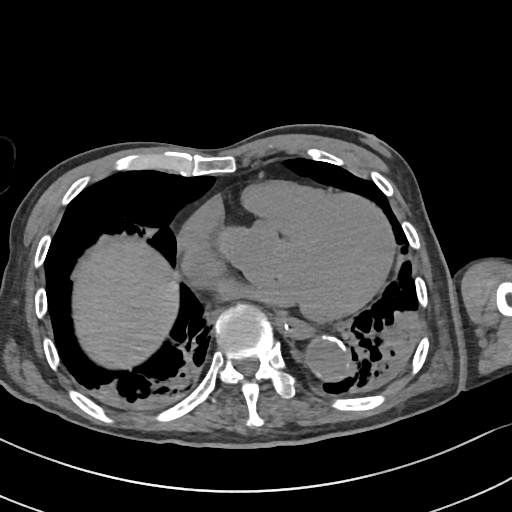 CT abdomen; axial view; W/L 400/40 HU; 15 organs annotated in this scan (counted over the whole 3D scan, not this slice; an organ is boxed only where this slice passes through it)
Bounding boxes in pixels, one row per box: x1, y1 is the top-left corner and x2, y2 the bottom-right.
| organ | x1 | y1 | x2 | y2 |
|---|---|---|---|---|
| esophagus | 277 | 314 | 313 | 337 |
| liver | 72 | 240 | 177 | 367 |
| aorta | 308 | 340 | 350 | 380 |